Abdominal CT; axial view; soft-tissue window; 512x512 px
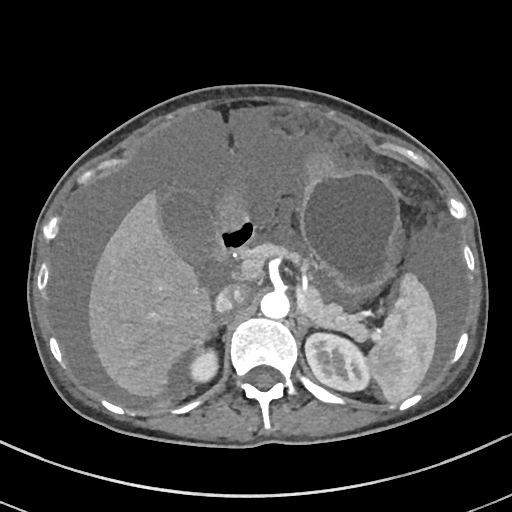 Coordinates as <box>x1,y1,x2,y2</box> in pixels. The annotated organs in this slice are: inferior vena cava at <box>215,286,247,313</box>, liver at <box>89,195,209,396</box>, left kidney at <box>304,331,371,392</box>, right adrenal gland at <box>207,317,228,337</box>, aorta at <box>260,290,289,317</box>, pancreas at <box>240,242,372,340</box>, right kidney at <box>189,349,217,382</box>, gall bladder at <box>161,192,213,259</box>, spleen at <box>368,269,436,401</box>, duodenum at <box>213,224,255,266</box>, left adrenal gland at <box>297,311,313,334</box>, stomach at <box>212,149,399,295</box>.